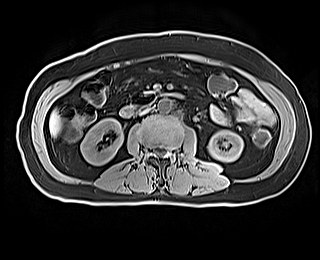

Magnetic resonance imaging, abdomen · axial view · 320x260 px · acquired on Prisma · 13 organs annotated in this scan (a whole-scan count: organs this slice does not pass through have no box)
<organs><organ name="right kidney" x1="80" y1="119" x2="123" y2="165"/><organ name="left kidney" x1="208" y1="130" x2="243" y2="161"/><organ name="liver" x1="49" y1="110" x2="60" y2="136"/><organ name="aorta" x1="158" y1="98" x2="172" y2="112"/><organ name="inferior vena cava" x1="140" y1="107" x2="150" y2="114"/><organ name="duodenum" x1="120" y1="92" x2="183" y2="116"/></organs>